CT, abdomen/pelvis · axial view · soft-tissue window
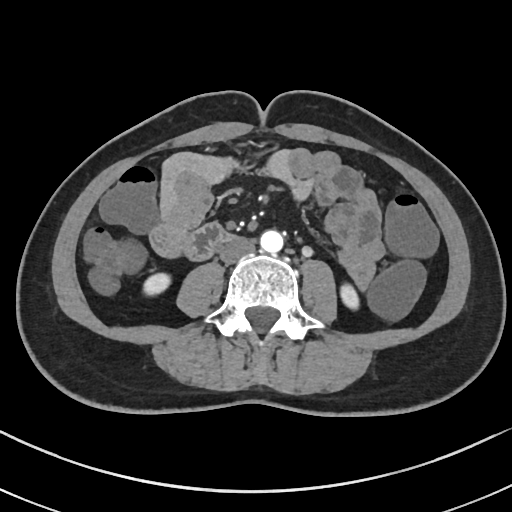
<organs><organ name="right kidney" x1="143" y1="273" x2="170" y2="295"/><organ name="left kidney" x1="340" y1="284" x2="358" y2="308"/><organ name="aorta" x1="260" y1="230" x2="283" y2="253"/><organ name="inferior vena cava" x1="219" y1="236" x2="255" y2="264"/><organ name="duodenum" x1="183" y1="224" x2="234" y2="259"/></organs>